Abdominal CT reaching into the chest; this slice is in the chest; axial view
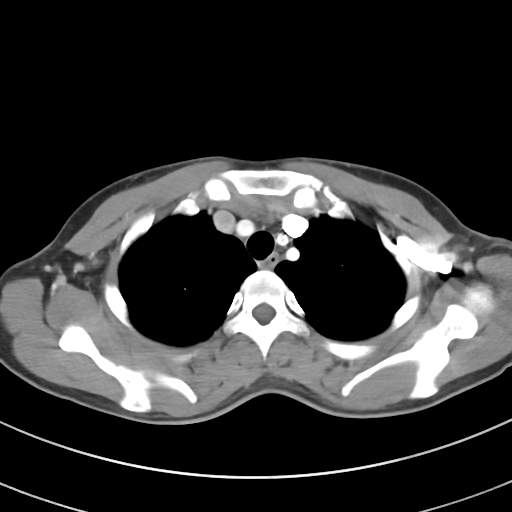
At this level of the chest this dataset labels only the esophagus and the aorta, and each is boxed only where it is labeled; the heart and lungs are never labeled.
{"organs":{"esophagus":[260,253,279,267]}}